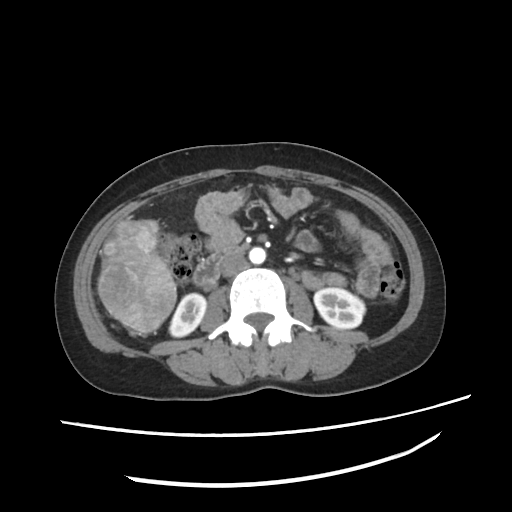

Computed tomography, abdomen. axial view. 512x512 px. 15 organs annotated in this scan (counted over the whole 3D scan, not this slice; an organ is boxed only where this slice passes through it)
Box edges are left/top/right/bottom in pixels.
inferior vena cava: left=221, top=253, right=246, bottom=277
aorta: left=249, top=248, right=265, bottom=264
duodenum: left=192, top=246, right=240, bottom=286
left kidney: left=314, top=288, right=365, bottom=329
right kidney: left=168, top=294, right=204, bottom=337